CT of the abdomen extending into the chest, slice through the chest. axial view
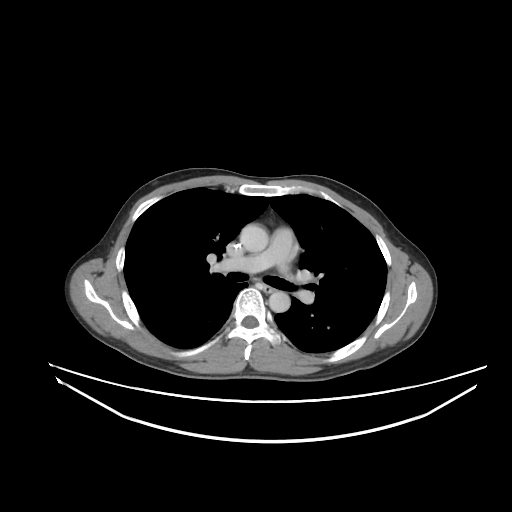
At this level of the chest this dataset labels only the esophagus and the aorta, and each is boxed only where it is labeled; the heart and lungs are never labeled.
One row per box, in pixels: columns x1 and y1 give the top-left corner, x2 and y2 the bottom-right.
| organ | x1 | y1 | x2 | y2 |
|---|---|---|---|---|
| esophagus | 263 | 285 | 274 | 292 |
| aorta | 240 | 223 | 268 | 252 |
| aorta | 269 | 291 | 290 | 312 |